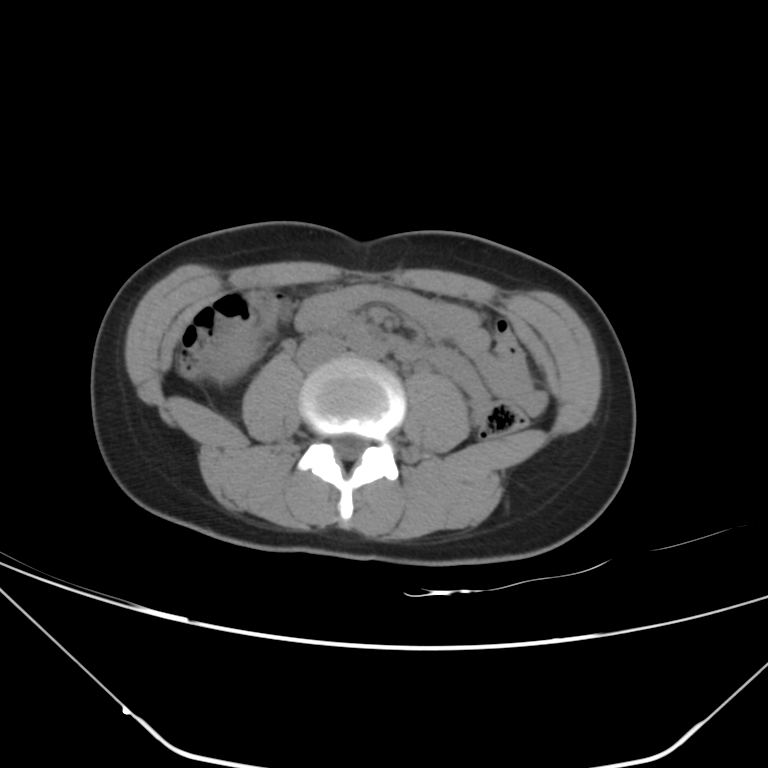
Abdominal CT — axial plane, index 38 — acquired on Brilliance16
Coordinates as <box>x1,y1,x2,y2</box> in pixels. Labeled organs on this slice: right kidney at <box>209,324,260,382</box>, aorta at <box>347,333,384,356</box>, inferior vena cava at <box>297,334,344,368</box>, duodenum at <box>321,323,413,361</box>.